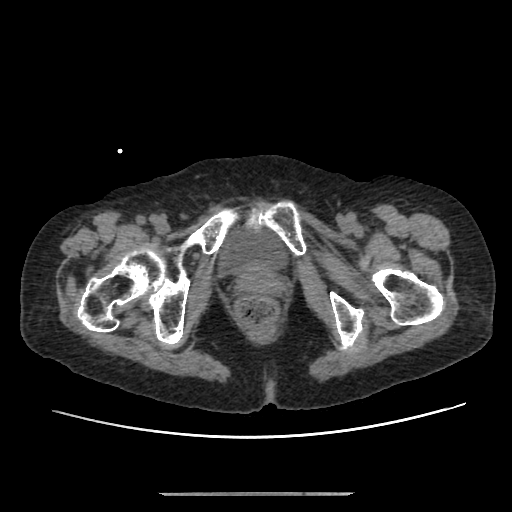
Computed tomography, abdomen; Axial slice 37/353; acquired on SOMATOM Force
<organs><organ name="bladder" x1="219" y1="224" x2="285" y2="274"/></organs>